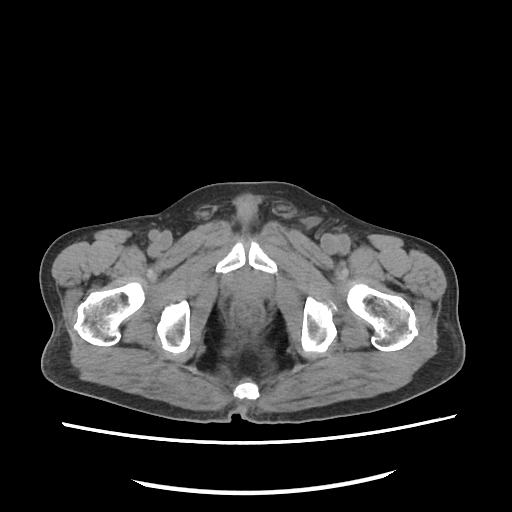
CT, abdomen/pelvis · axial view · 68-year-old male patient
Boxes: x1:y1:x2:y2 in pixels.
Organ bounding boxes:
- prostate/uterus: 234:274:268:300